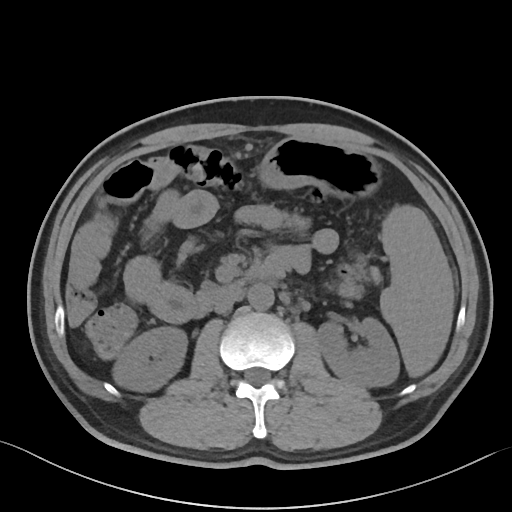 CT, abdomen/pelvis; axial view; soft-tissue window; SOMATOM Force scanner; 15 organs annotated in this scan (counted over the whole 3D scan, not this slice; an organ is boxed only where this slice passes through it)
Organ boxes in pixel coordinates; each row gives the top-left (x1, y1) and bottom-right (x2, y2) corners.
| organ | x1 | y1 | x2 | y2 |
|---|---|---|---|---|
| spleen | 380 | 205 | 453 | 376 |
| right kidney | 113 | 327 | 186 | 391 |
| left kidney | 317 | 317 | 399 | 387 |
| stomach | 259 | 137 | 380 | 198 |
| aorta | 248 | 284 | 274 | 310 |
| inferior vena cava | 213 | 293 | 241 | 313 |
| pancreas | 339 | 259 | 381 | 296 |
| duodenum | 196 | 250 | 289 | 317 |